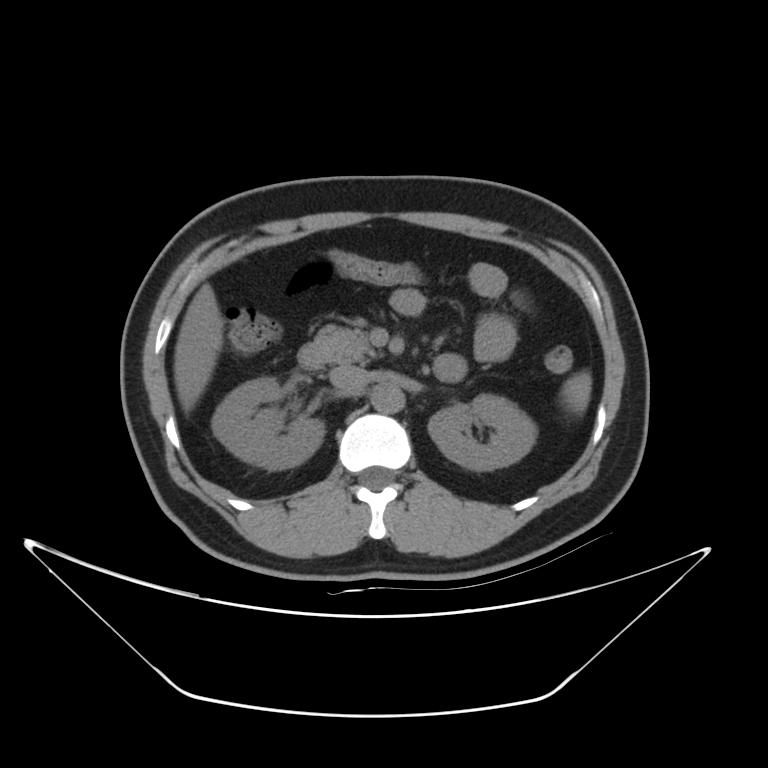 Computed tomography, abdomen; axial view; scan has 15 labeled organs (a whole-scan count: organs this slice does not pass through have no box)
Boxes: x1 y1 x2 y2 (pixel coords, space-separated).
spleen: 561 371 592 414
right kidney: 211 378 324 469
left kidney: 428 394 536 471
liver: 174 283 223 411
aorta: 371 384 404 413
inferior vena cava: 329 365 369 395
pancreas: 314 325 380 362
right adrenal gland: 434 358 462 380
duodenum: 298 343 464 373